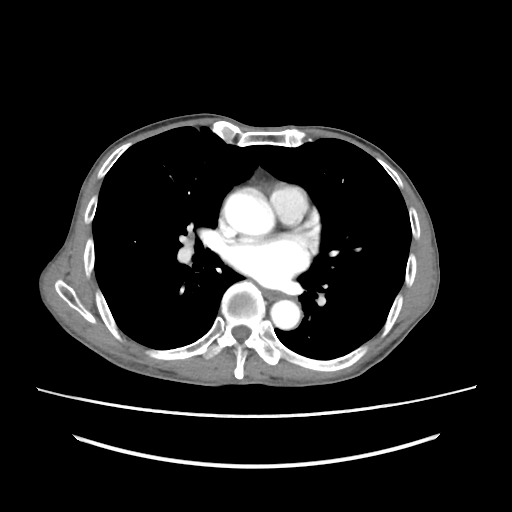
CT of the abdomen extending into the chest, slice through the chest — axial view — soft-tissue window
On a slice this high in the chest, this dataset labels only the esophagus and the aorta, and each is boxed only where it is labeled; the heart, lungs and other chest structures are not labeled.
Boxes are (x1, y1, x2, y2) in pixels.
Organ bounding boxes:
- esophagus: (263, 289, 282, 299)
- aorta: (224, 192, 274, 236)
- aorta: (270, 299, 300, 329)